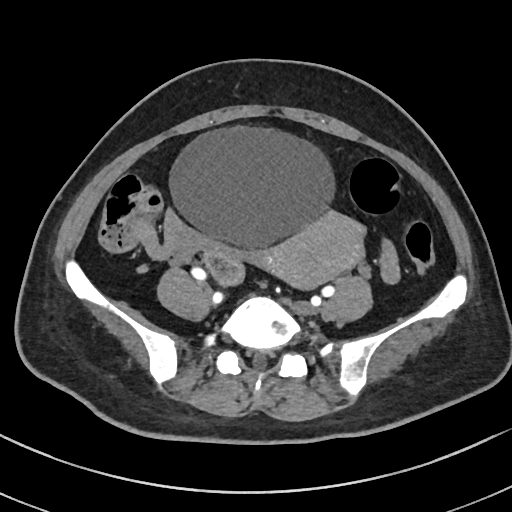

CT abdomen · axial view · abdomen soft-tissue window · 512x512 px · 15 organs annotated in this scan (a whole-scan count: organs this slice does not pass through have no box)
{"organs":{"bladder":[169,127,334,246],"prostate/uterus":[264,211,366,290]}}